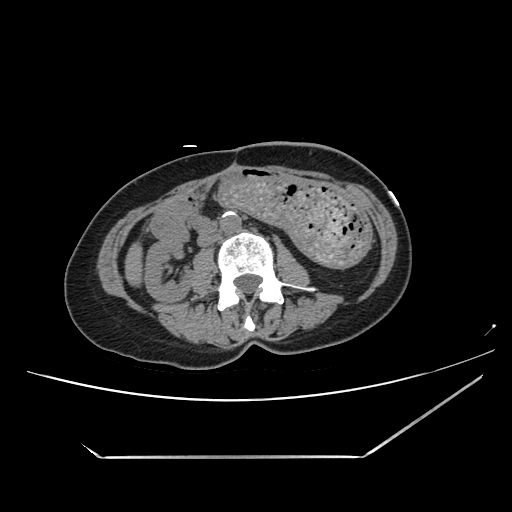 Computed tomography, abdomen — axial view — abdomen soft-tissue window — 512x512 px — acquired on SOMATOM Force
Boxes are (x1, y1, x2, y2) in pixels. 6 labeled organs on this slice — liver at (125, 242, 142, 286); inferior vena cava at (197, 232, 220, 246); right kidney at (144, 239, 189, 302); aorta at (220, 211, 241, 233); duodenum at (150, 214, 218, 241); stomach at (219, 174, 370, 268).